CT, abdomen/pelvis — Axial slice 118/232 — scan has 15 labeled organs (counted over the whole 3D scan, not this slice; an organ is boxed only where this slice passes through it)
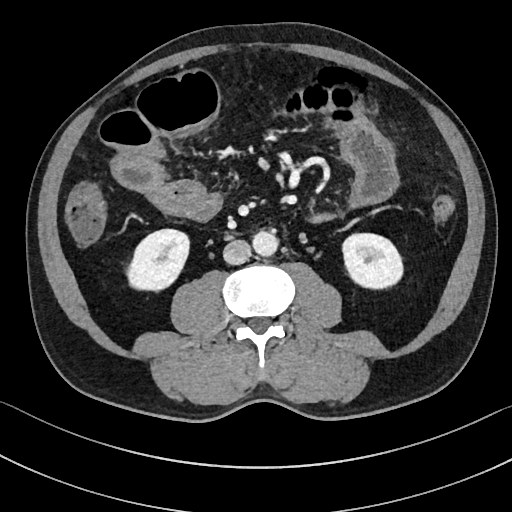
{"organs":{"right kidney":[128,229,190,290],"aorta":[253,231,279,257],"inferior vena cava":[223,240,250,264],"left kidney":[341,232,404,288]}}